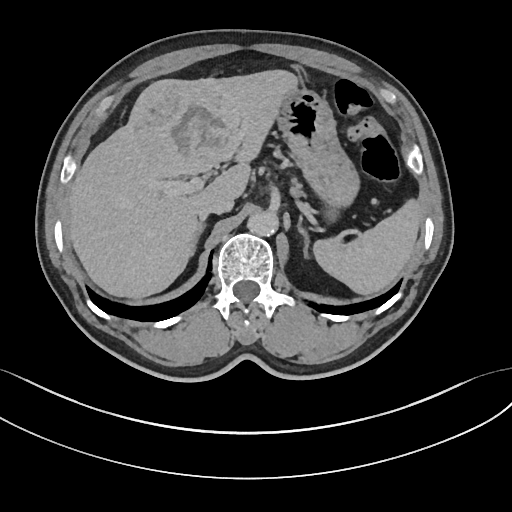
CT, abdomen/pelvis; axial view; SOMATOM Force scanner; 15 organs annotated in this scan (a whole-scan count: organs this slice does not pass through have no box)
Box edges are left/top/right/bottom in pixels. The annotated organs in this slice are: spleen at left=312, top=202, right=418, bottom=293, liver at left=68, top=70, right=299, bottom=297, stomach at left=279, top=88, right=361, bottom=219, aorta at left=246, top=211, right=278, bottom=236, inferior vena cava at left=198, top=194, right=234, bottom=220, right adrenal gland at left=199, top=225, right=205, bottom=237, left adrenal gland at left=299, top=219, right=308, bottom=257.